CT abdomen. axial view. soft-tissue window. acquired on SOMATOM Force. 15 organs annotated in this scan (a whole-scan count: organs this slice does not pass through have no box)
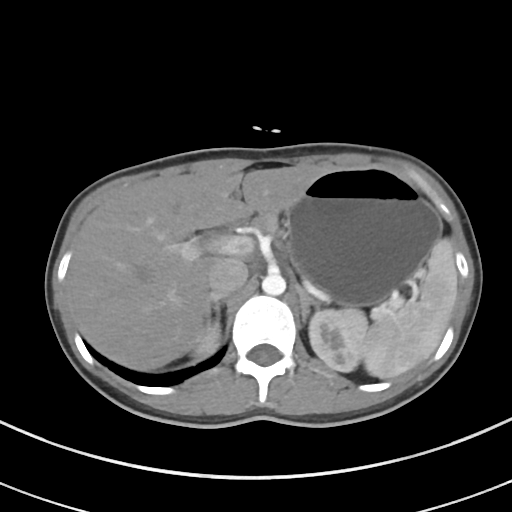
Coordinates as <box>x1,y1,x2,y2</box> in pixels.
Organ bounding boxes:
- spleen: <box>344,238,457,378</box>
- right kidney: <box>191,323,219,356</box>
- left kidney: <box>309,309,367,371</box>
- liver: <box>66,165,327,369</box>
- stomach: <box>286,166,441,304</box>
- aorta: <box>262,273,285,295</box>
- inferior vena cava: <box>208,257,248,296</box>
- pancreas: <box>260,216,277,231</box>
- right adrenal gland: <box>205,293,226,325</box>
- left adrenal gland: <box>293,283,319,323</box>